CT of the abdomen reaching into the lower chest, slice just above the liver and spleen · axial view · 512x512 px · acquired on SOMATOM Force · 15 organs annotated in this scan (a whole-scan count: organs this slice does not pass through have no box)
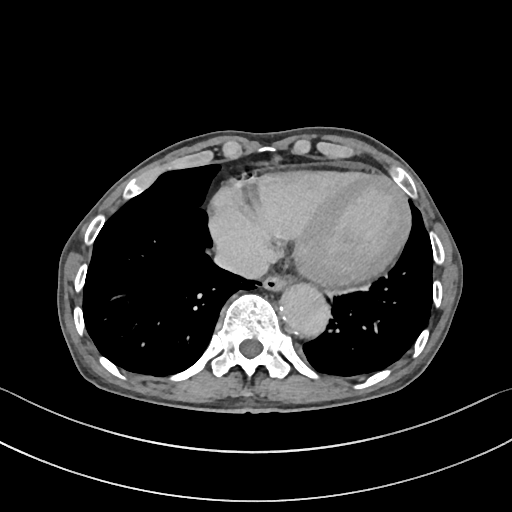
Of the structures in the chest, this dataset labels only the esophagus, the aorta and the inferior vena cava; the heart and lungs have no label.
{"organs":{"esophagus":[263,276,287,292],"aorta":[280,285,330,338],"inferior vena cava":[215,243,271,279]}}